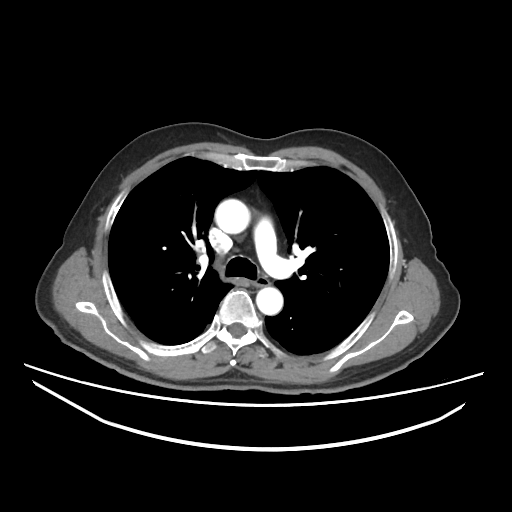 Abdominal CT reaching into the chest; this slice is in the chest — axial view — soft-tissue window (W 400 / L 40) — 512x512 px
At this level of the chest this dataset labels only the esophagus and the aorta, and each is boxed only where it is labeled; the heart and lungs are never labeled.
Boxes: x1 y1 x2 y2 (pixel coords, space-separated).
Organ bounding boxes:
- esophagus: 252 277 270 286
- aorta: 215 199 250 233
- aorta: 256 287 283 315